Computed tomography, abdomen. Axial slice 18/231. abdomen soft-tissue window. 512x512 px
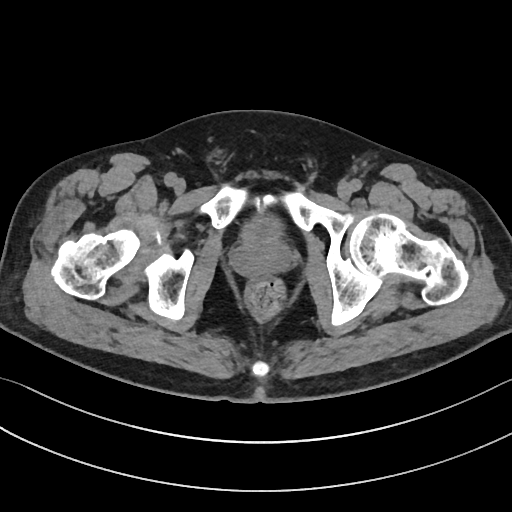 Coordinates as <box>x1,y1,x2,y2</box> in pixels. The annotated organs in this slice are: bladder at <box>242,213,281,238</box>, prostate/uterus at <box>231,236,291,277</box>.